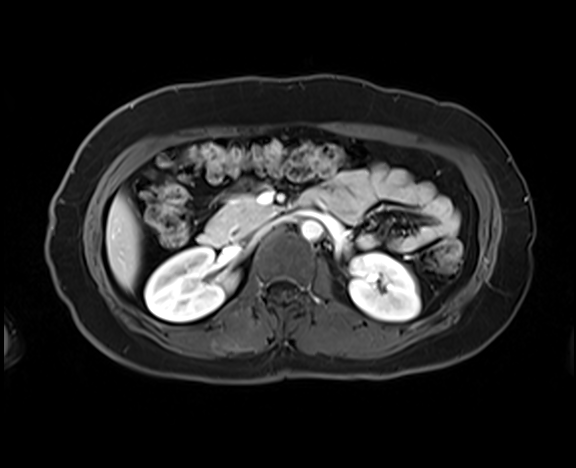
Abdominal MRI. axial view
{"organs":{"pancreas":[206,194,277,241],"inferior vena cava":[256,221,276,235],"right kidney":[144,247,237,321],"left kidney":[350,253,420,321],"duodenum":[198,196,310,246],"liver":[106,195,140,289],"aorta":[301,220,322,240]}}